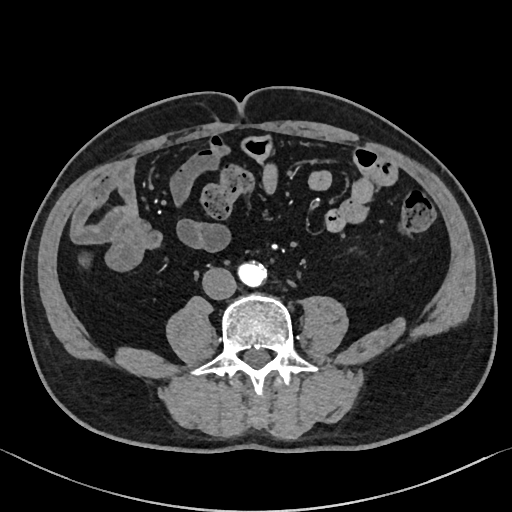

Abdominal CT · Axial slice 100/245 · 512x512 px · SOMATOM Force scanner
Bounding boxes in pixels, one row per box: x1, y1 is the top-left corner and x2, y2 the bottom-right.
| organ | x1 | y1 | x2 | y2 |
|---|---|---|---|---|
| aorta | 235 | 262 | 264 | 285 |
| inferior vena cava | 202 | 267 | 236 | 299 |